Abdominal MR — axial view — percentile-normalized — scan has 13 labeled organs (that count is for the whole scan; organs this slice misses have no box)
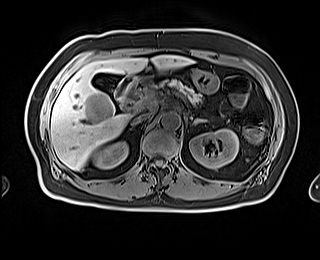
One row per box, in pixels: columns x1 and y1 give the top-left corner, x2 and y2 the bottom-right.
| organ | x1 | y1 | x2 | y2 |
|---|---|---|---|---|
| right kidney | 93 | 142 | 128 | 168 |
| left kidney | 189 | 129 | 238 | 168 |
| gall bladder | 95 | 78 | 112 | 91 |
| liver | 49 | 55 | 192 | 170 |
| stomach | 191 | 68 | 218 | 93 |
| aorta | 161 | 112 | 180 | 129 |
| inferior vena cava | 132 | 113 | 151 | 125 |
| pancreas | 138 | 78 | 202 | 104 |
| left adrenal gland | 193 | 119 | 206 | 125 |
| duodenum | 115 | 76 | 136 | 110 |